CT abdomen; axial plane, index 175; soft-tissue window
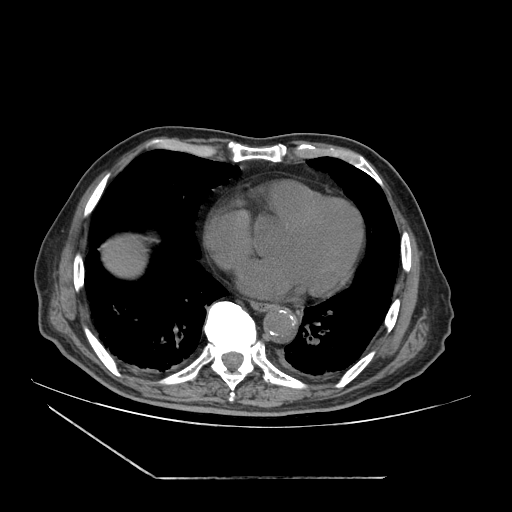
Bounding boxes as [x1, y1, x2, y2] in pixel coordinates.
esophagus: [251, 303, 272, 311]
aorta: [264, 308, 297, 343]
liver: [102, 238, 147, 276]